Computed tomography, abdomen. axial view. soft-tissue window
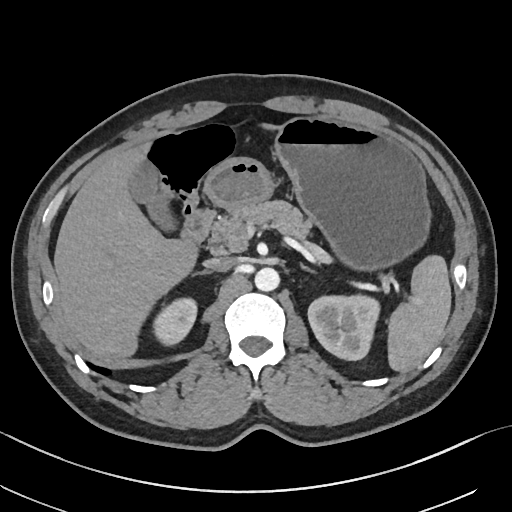

Boxes are (x1, y1, x2, y2) in pixels.
Organ bounding boxes:
- spleen: (387, 255, 451, 372)
- right kidney: (152, 297, 196, 345)
- left kidney: (308, 295, 379, 360)
- gall bladder: (128, 160, 177, 231)
- liver: (53, 124, 279, 361)
- stomach: (204, 116, 430, 270)
- aorta: (254, 267, 279, 291)
- inferior vena cava: (204, 257, 236, 271)
- pancreas: (209, 200, 311, 253)
- right adrenal gland: (193, 270, 211, 275)
- left adrenal gland: (300, 264, 315, 273)
- duodenum: (181, 209, 215, 244)